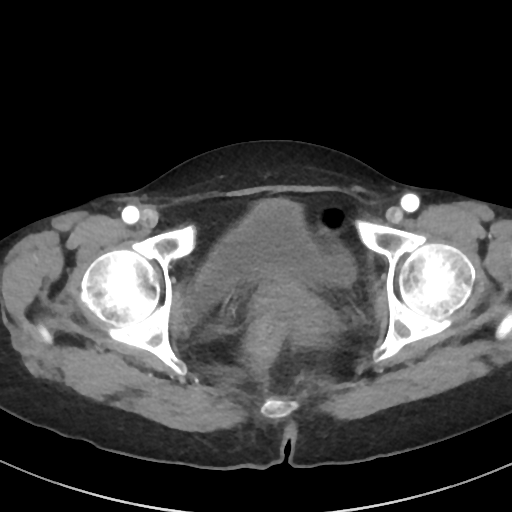
Abdominal CT. axial view. acquired on SOMATOM Force
Bounding boxes in pixels, one row per box: x1, y1 is the top-left corner and x2, y2 the bottom-right.
| organ | x1 | y1 | x2 | y2 |
|---|---|---|---|---|
| bladder | 194 | 200 | 355 | 305 |
| prostate/uterus | 255 | 277 | 334 | 341 |